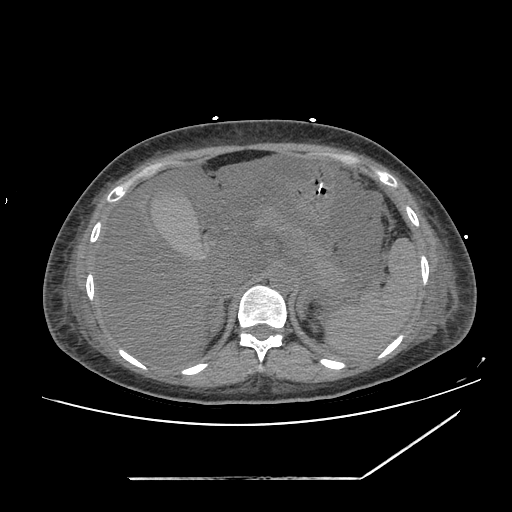 Abdominal CT. axial plane, index 137. 512x512 px. SOMATOM Force scanner
{"organs":{"spleen":[155,199,419,355],"gall bladder":[151,192,210,257],"liver":[94,153,286,367],"stomach":[289,161,335,226],"aorta":[270,270,294,294],"inferior vena cava":[214,265,248,300],"pancreas":[259,206,340,282],"right adrenal gland":[209,300,224,339],"left adrenal gland":[296,286,308,319]}}